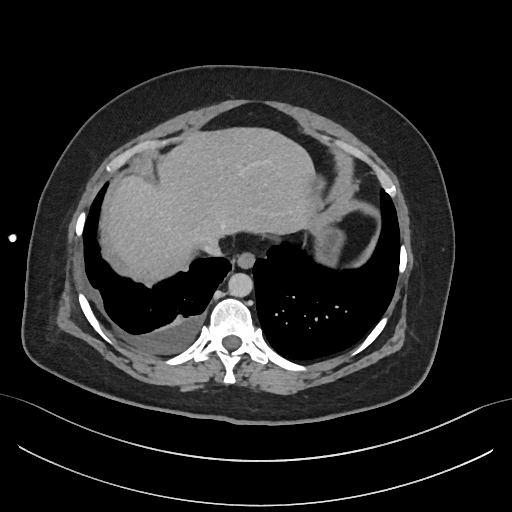

Abdominal CT; axial view; 512x512 px
{"organs":{"esophagus":[236,252,254,268],"liver":[107,127,314,279],"stomach":[310,178,344,265],"aorta":[228,273,252,297],"inferior vena cava":[200,239,221,256]}}